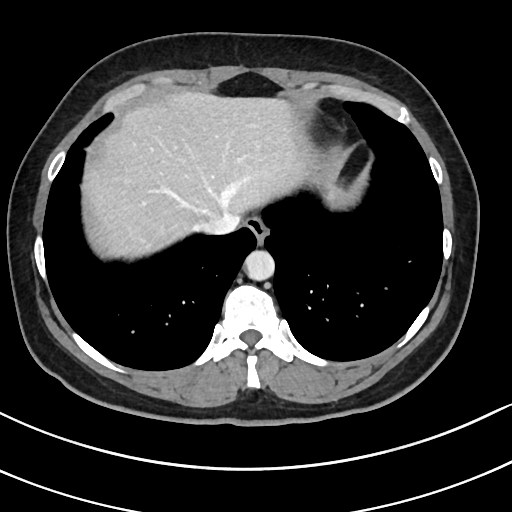 CT abdomen · axial plane, index 187 · soft-tissue window (W 400 / L 40) · SOMATOM Force scanner · 15 organs annotated in this scan (counted over the whole 3D scan, not this slice; an organ is boxed only where this slice passes through it)
Bounding boxes as [x1, y1, x2, y2] in pixel coordinates.
Organ bounding boxes:
- esophagus: [244, 216, 268, 242]
- liver: [81, 89, 344, 258]
- inferior vena cava: [198, 213, 240, 234]
- aorta: [244, 250, 274, 280]